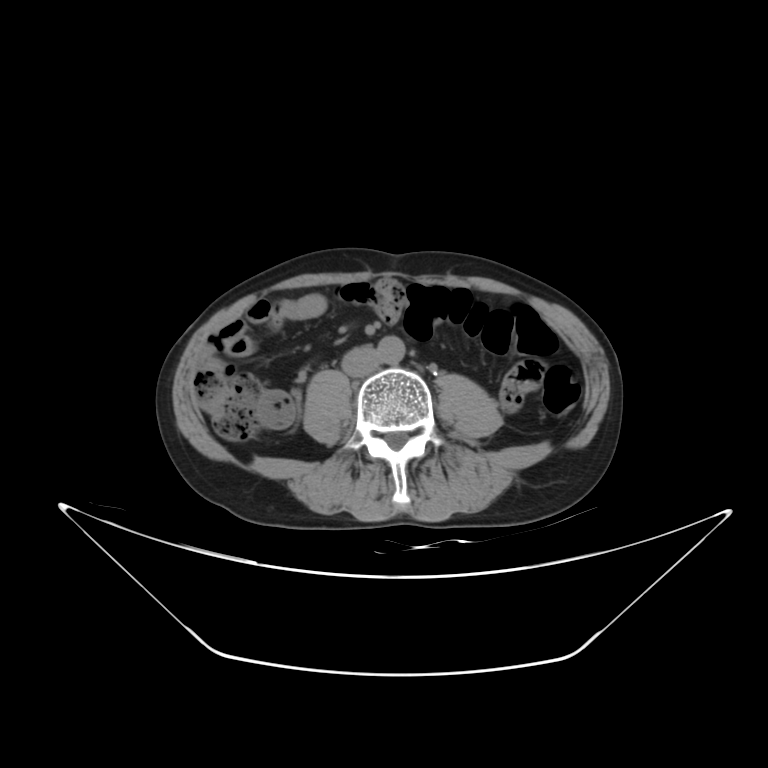
CT abdomen. axial plane, index 48. 52-year-old male patient. scan has 14 labeled organs (that count is for the whole scan; organs this slice misses have no box)
Coordinates as <box>x1,y1,x2,y2</box> in pixels. Labeled organs on this slice: left kidney at <box>283,557,286,557</box>, aorta at <box>377,335,405,364</box>, inferior vena cava at <box>341,345,380,377</box>.